Chest-level slice from an abdominal CT that extends up into the chest · axial view · W/L 400/40 HU
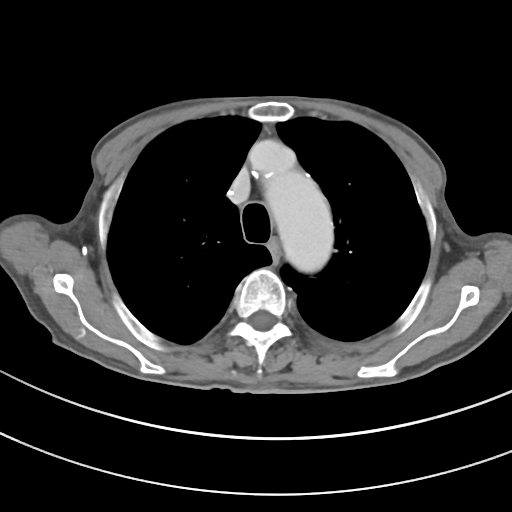

On a slice this high in the chest, this dataset labels only the esophagus and the aorta, and each is boxed only where it is labeled; the heart, lungs and other chest structures are not labeled.
<organs><organ name="esophagus" x1="266" y1="238" x2="279" y2="262"/><organ name="aorta" x1="257" y1="141" x2="333" y2="272"/></organs>